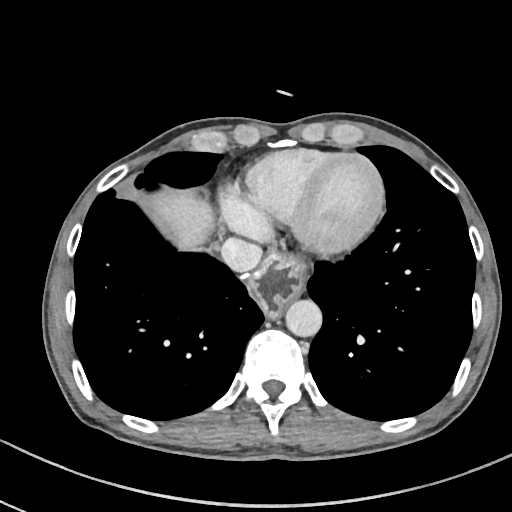 Computed tomography, abdomen; axial view
{"organs":{"esophagus":[248,252,306,316],"liver":[150,190,213,249],"aorta":[286,300,321,336],"inferior vena cava":[220,238,261,271]}}